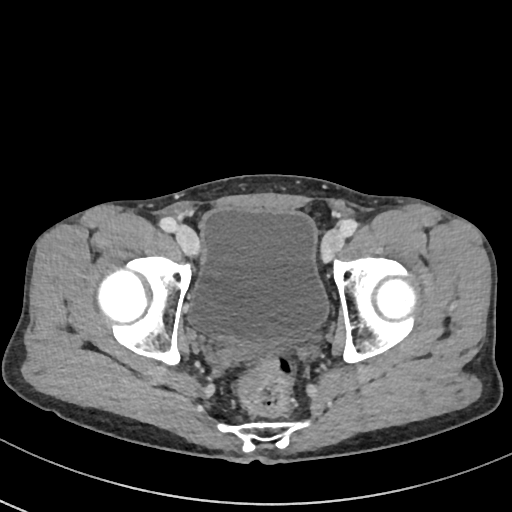
Abdominal CT; axial view; abdomen soft-tissue window
Boxes are (x1, y1, x2, y2) in pixels. Labeled organs on this slice: bladder at (189, 207, 328, 342).